CT abdomen; Axial slice 61/85
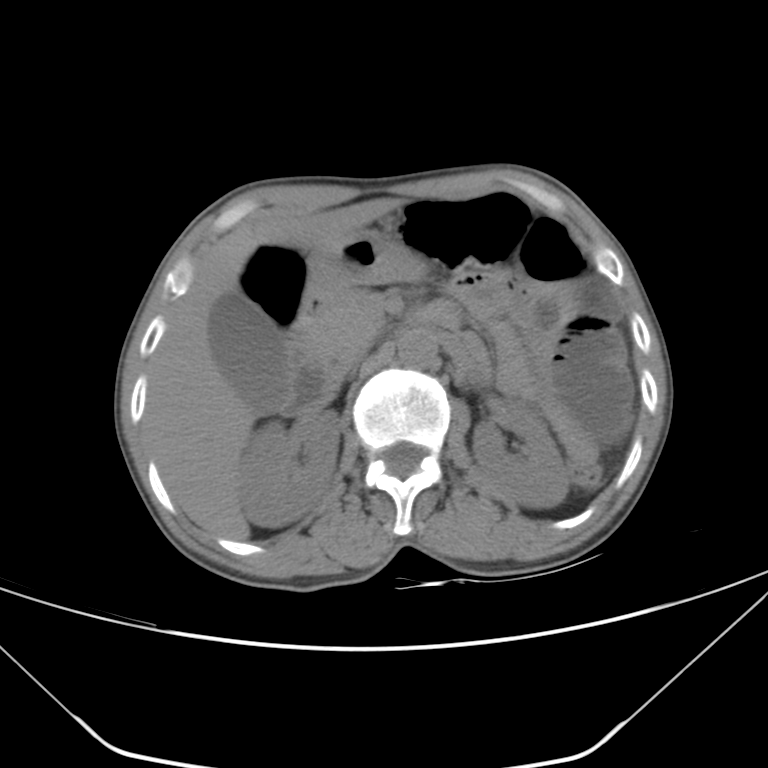 {"organs":{"pancreas":[300,288,383,370],"left kidney":[473,401,569,507],"aorta":[397,329,437,368],"right kidney":[238,409,339,527],"inferior vena cava":[334,347,363,380],"gall bladder":[208,288,286,412],"duodenum":[278,296,459,413],"liver":[146,200,396,541],"stomach":[304,230,423,308]}}